Computed tomography, abdomen · Axial slice 20/91 · soft-tissue window (W 400 / L 40) · 512x512 px
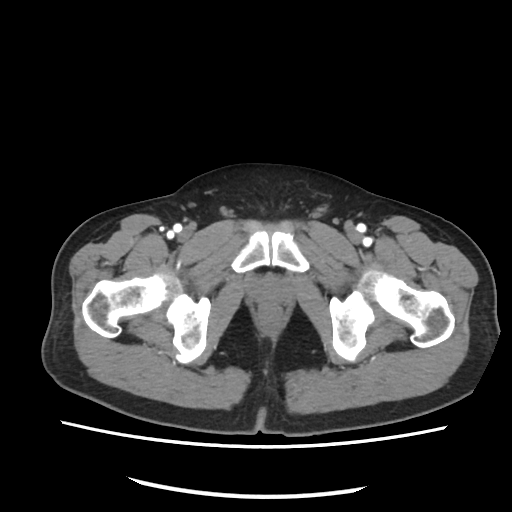
Each box given as x1,y1,x2,y2.
prostate/uterus: x1=253, y1=277, x2=285, y2=301